Computed tomography, abdomen; axial view; acquired on SOMATOM Force; scan has 15 labeled organs (a whole-scan count: organs this slice does not pass through have no box)
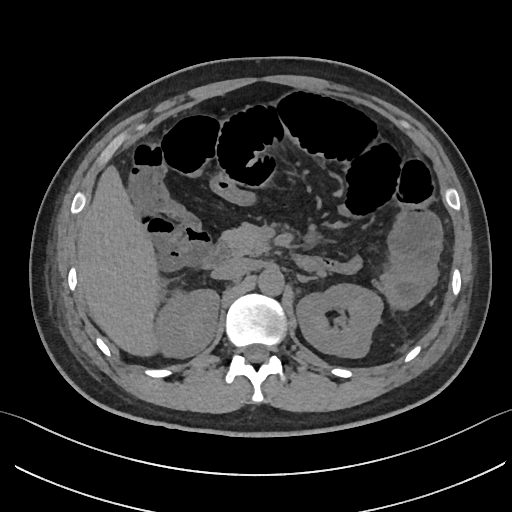
<organs><organ name="pancreas" x1="219" y1="224" x2="270" y2="254"/><organ name="duodenum" x1="200" y1="244" x2="228" y2="268"/><organ name="inferior vena cava" x1="213" y1="258" x2="253" y2="278"/><organ name="aorta" x1="258" y1="268" x2="283" y2="294"/><organ name="liver" x1="78" y1="167" x2="161" y2="354"/><organ name="right kidney" x1="152" y1="289" x2="219" y2="357"/><organ name="left kidney" x1="296" y1="283" x2="383" y2="357"/></organs>